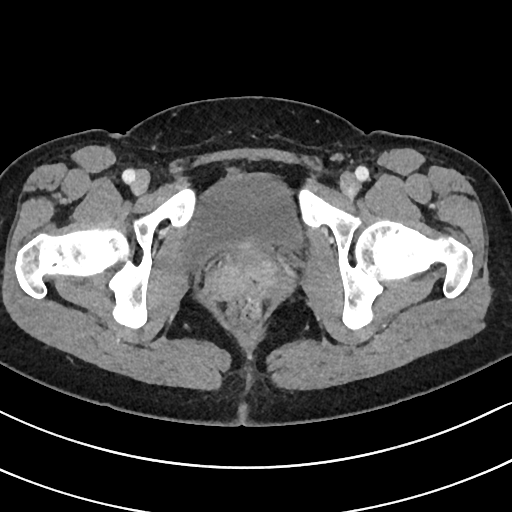

Computed tomography, abdomen. axial view. 512x512 px. acquired on SOMATOM Force. scan has 15 labeled organs (counted over the whole 3D scan, not this slice; an organ is boxed only where this slice passes through it)
{"organs":{"bladder":[180,168,302,268]}}